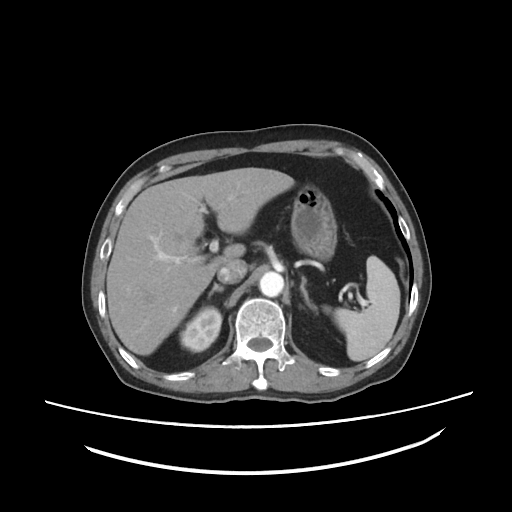

CT abdomen · axial view · 512x512 px
{"organs":{"spleen":[324,256,400,361],"right kidney":[179,306,221,351],"liver":[106,167,294,355],"stomach":[290,184,336,260],"aorta":[259,271,284,297],"inferior vena cava":[217,259,246,283],"right adrenal gland":[208,284,223,296],"left adrenal gland":[300,276,317,312]}}